CT, abdomen/pelvis — Axial slice 208/222
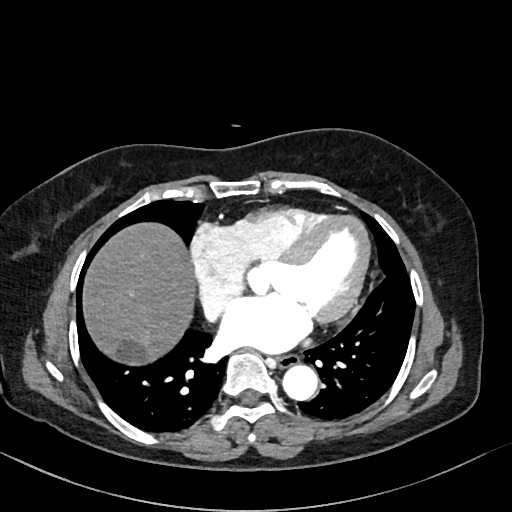 Boxes are (x1, y1, x2, y2) in pixels. Labeled organs on this slice: esophagus at (276, 354, 298, 368), liver at (84, 224, 194, 362), inferior vena cava at (200, 299, 224, 323), aorta at (283, 365, 318, 401).